Abdominal MR — axial view — 576x468 px
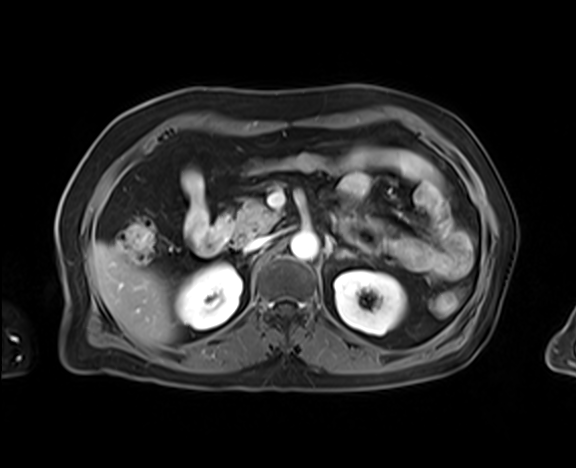 Bounding boxes as [x1, y1, x2, y2] in pixel coordinates.
right kidney: [176, 264, 242, 329]
left kidney: [334, 271, 406, 335]
liver: [91, 242, 175, 345]
aorta: [290, 231, 318, 260]
inferior vena cava: [244, 235, 272, 251]
pancreas: [232, 201, 278, 240]
left adrenal gland: [336, 251, 355, 257]
duodenum: [196, 214, 232, 255]